Abdominal CT; axial plane, index 55; abdomen soft-tissue window; 768x768 px
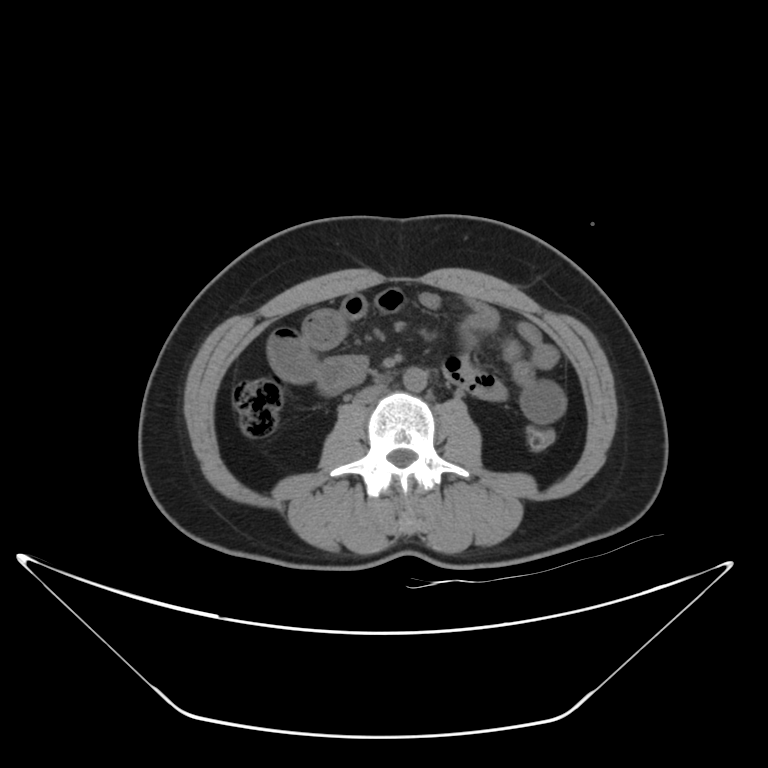
Organ boxes in pixel coordinates; each row gives the top-left (x1, y1) and bottom-right (x2, y2) corners.
| organ | x1 | y1 | x2 | y2 |
|---|---|---|---|---|
| aorta | 403 | 367 | 427 | 391 |
| inferior vena cava | 353 | 384 | 384 | 404 |